CT, abdomen/pelvis; axial plane, index 155
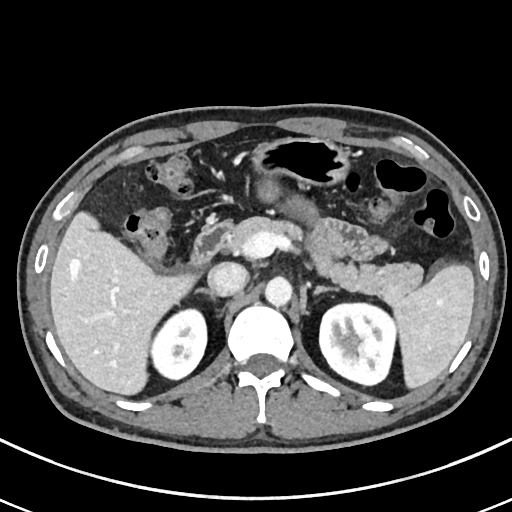 Boxes: x1 y1 x2 y2 (pixel coords, space-separated). The annotated organs in this slice are: left kidney at 320 301 396 385, duodenum at 192 222 229 265, pancreas at 228 216 421 309, liver at 50 211 197 396, aorta at 265 278 293 307, stomach at 250 136 348 185, right adrenal gland at 194 289 217 300, left adrenal gland at 312 286 339 295, inferior vena cava at 208 263 247 296, spleen at 392 263 474 389, right kidney at 150 311 206 379.